CT, abdomen/pelvis. axial view. abdomen soft-tissue window. 512x512 px. 15 organs annotated in this scan (a whole-scan count: organs this slice does not pass through have no box)
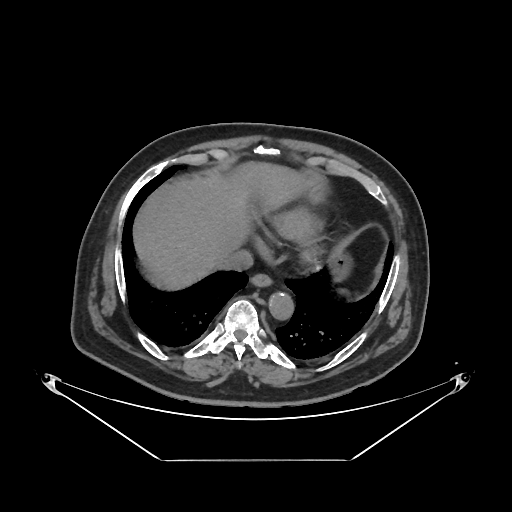 Organ boxes in pixel coordinates; each row gives the top-left (x1, y1) and bottom-right (x2, y2) corners.
| organ | x1 | y1 | x2 | y2 |
|---|---|---|---|---|
| esophagus | 250 | 273 | 272 | 287 |
| liver | 133 | 161 | 315 | 290 |
| stomach | 331 | 265 | 347 | 281 |
| aorta | 268 | 292 | 293 | 320 |
| inferior vena cava | 222 | 249 | 253 | 270 |